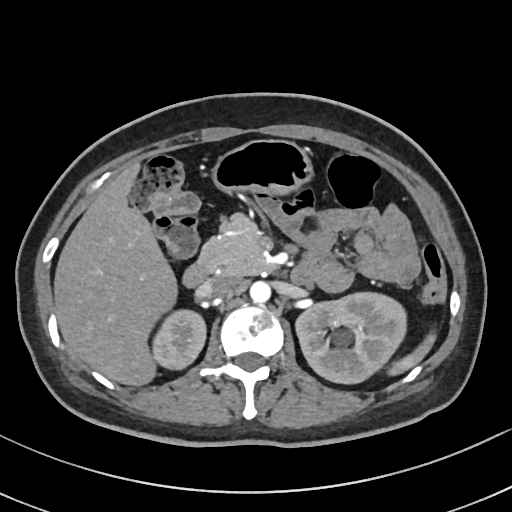

Abdominal CT. Axial slice 134/191
Organ boxes in pixel coordinates; each row gives the top-left (x1, y1) and bottom-right (x2, y2) corners.
| organ | x1 | y1 | x2 | y2 |
|---|---|---|---|---|
| inferior vena cava | 197 | 274 | 239 | 297 |
| right kidney | 151 | 309 | 204 | 369 |
| stomach | 211 | 140 | 313 | 196 |
| spleen | 385 | 334 | 436 | 375 |
| aorta | 249 | 281 | 270 | 304 |
| duodenum | 184 | 262 | 211 | 286 |
| liver | 53 | 162 | 178 | 386 |
| left kidney | 294 | 294 | 404 | 382 |
| pancreas | 198 | 212 | 268 | 275 |